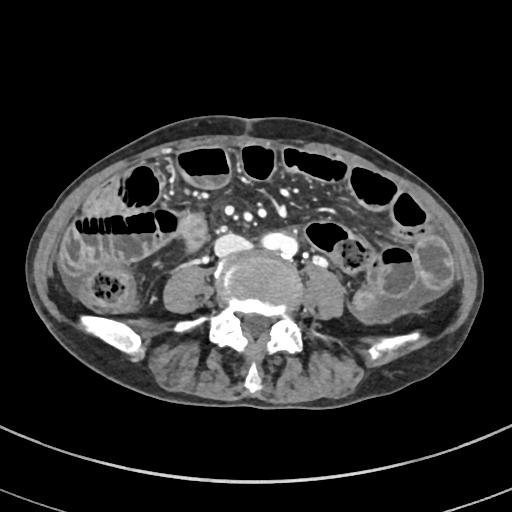 Abdominal CT. axial view. soft-tissue window. 512x512 px. SOMATOM Force scanner
{"organs":{"inferior vena cava":[214,234,249,256]}}